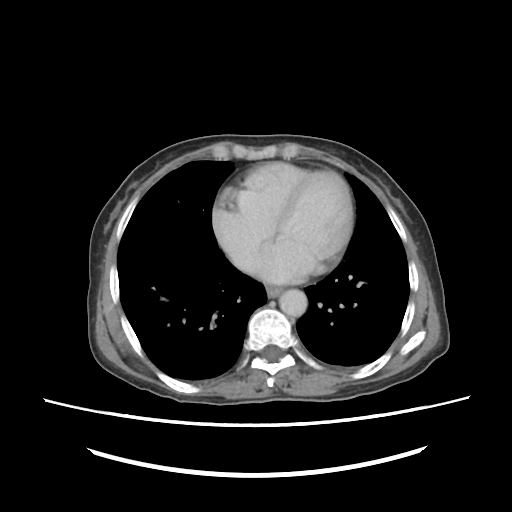 Lower-chest slice from an abdominal CT, just above the liver and spleen · axial view
Of the structures in the chest, this dataset labels only the esophagus, the aorta and the inferior vena cava; the heart and lungs have no label.
One row per box, in pixels: columns x1 and y1 give the top-left corner, x2 and y2 the bottom-right.
| organ | x1 | y1 | x2 | y2 |
|---|---|---|---|---|
| esophagus | 266 | 288 | 279 | 297 |
| inferior vena cava | 228 | 250 | 257 | 274 |
| aorta | 278 | 288 | 305 | 316 |